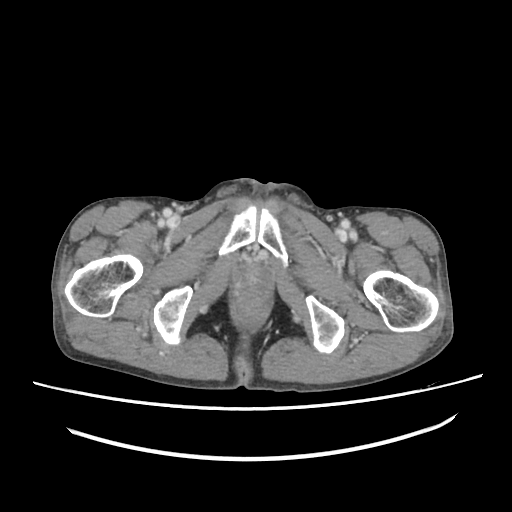
Abdominal CT. Axial slice 5/79
Organ boxes in pixel coordinates; each row gives the top-left (x1, y1) and bottom-right (x2, y2) corners.
| organ | x1 | y1 | x2 | y2 |
|---|---|---|---|---|
| prostate/uterus | 234 | 263 | 272 | 294 |